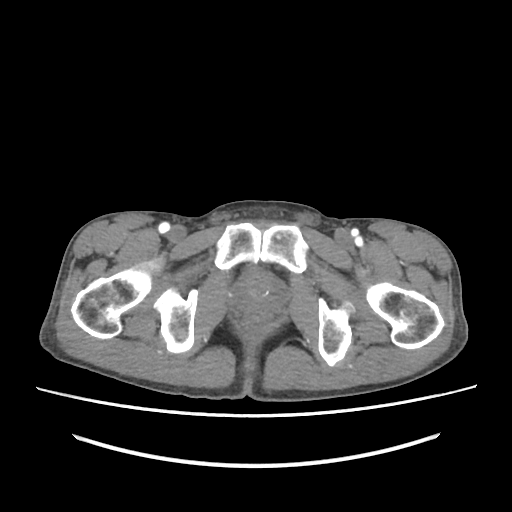

CT abdomen. axial view. soft-tissue window. 512x512 px. 62-year-old male patient
One row per box, in pixels: columns x1 and y1 give the top-left corner, x2 and y2 the bottom-right.
| organ | x1 | y1 | x2 | y2 |
|---|---|---|---|---|
| prostate/uterus | 236 | 274 | 282 | 315 |